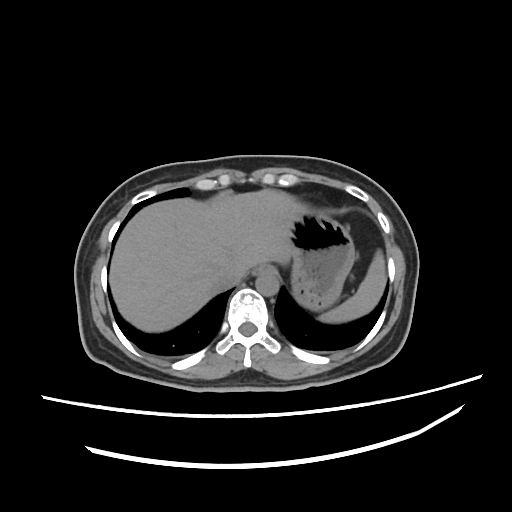
Computed tomography, abdomen. axial view. 43-year-old female patient
Bounding boxes as [x1, y1, x2, y2] in pixel coordinates.
Organ bounding boxes:
- stomach: [289, 208, 355, 310]
- liver: [109, 188, 307, 331]
- spleen: [318, 250, 386, 323]
- esophagus: [252, 265, 278, 276]
- aorta: [255, 273, 279, 295]
- inferior vena cava: [207, 265, 240, 287]